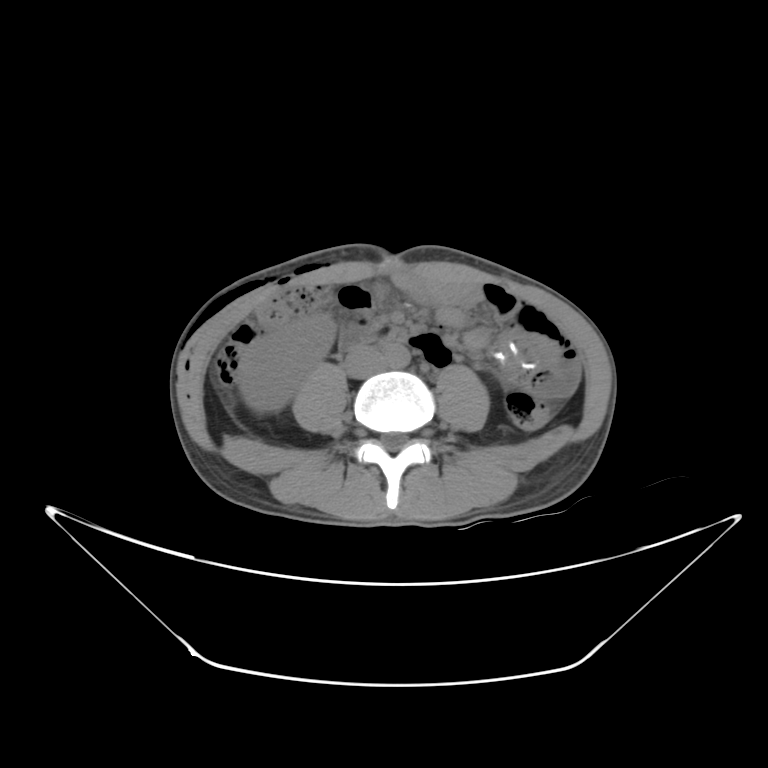 Abdominal CT · Axial slice 48/95 · soft-tissue window · 768x768 px · 15 organs annotated in this scan (that count is for the whole scan; organs this slice misses have no box)
<organs><organ name="right kidney" x1="238" y1="314" x2="336" y2="412"/><organ name="aorta" x1="380" y1="343" x2="410" y2="366"/><organ name="inferior vena cava" x1="344" y1="350" x2="381" y2="379"/></organs>